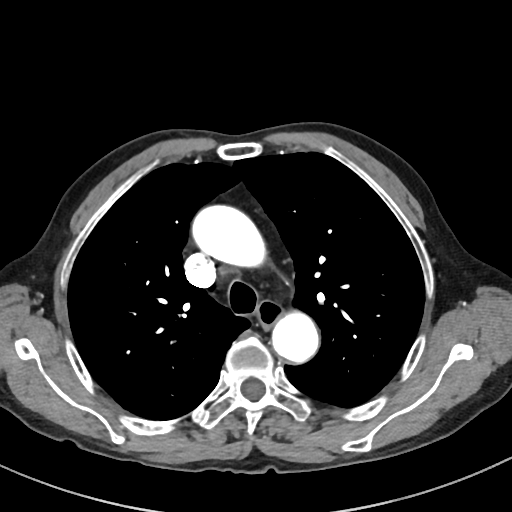
CT of the abdomen extending into the chest, slice through the chest. axial view. scan has 15 labeled organs (that count is for the whole scan; organs this slice misses have no box)
At this level of the chest this dataset labels only the esophagus and the aorta, and each is boxed only where it is labeled; the heart and lungs are never labeled.
Boxes: x1:y1:x2:y2 in pixels.
Organ bounding boxes:
- esophagus: 256:300:282:327
- aorta: 190:204:267:267
- aorta: 271:311:319:364